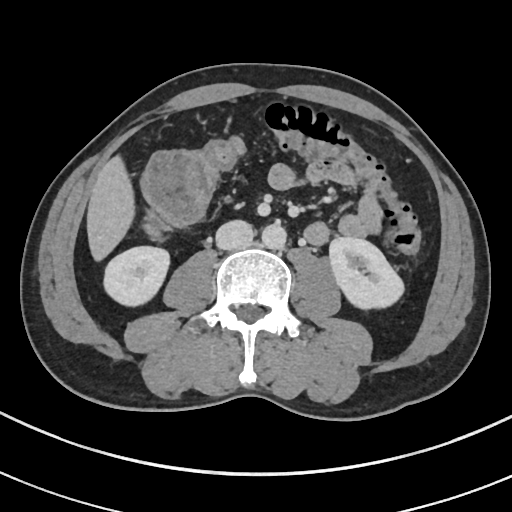
CT, abdomen/pelvis — axial view — soft-tissue window
Boxes are (x1, y1, x2, y2) in pixels. 5 labeled organs on this slice — right kidney at (105, 247, 167, 303); left kidney at (329, 237, 404, 309); liver at (87, 157, 135, 258); aorta at (261, 222, 286, 249); inferior vena cava at (215, 220, 253, 250).